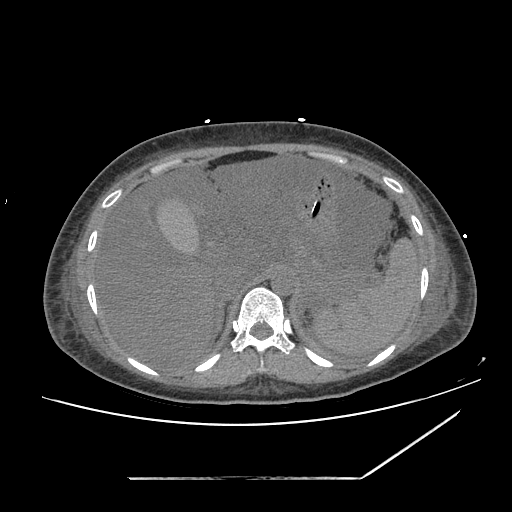

Abdominal CT; axial view; soft-tissue window; 512x512 px
Boxes: x1:y1:x2:y2 in pixels.
Organ bounding boxes:
- inferior vena cava: 217:270:251:301
- gall bladder: 154:197:199:255
- aorta: 271:271:295:295
- spleen: 312:237:418:356
- liver: 94:153:296:369
- left adrenal gland: 298:289:307:313
- right adrenal gland: 214:303:223:337
- stomach: 289:171:338:242